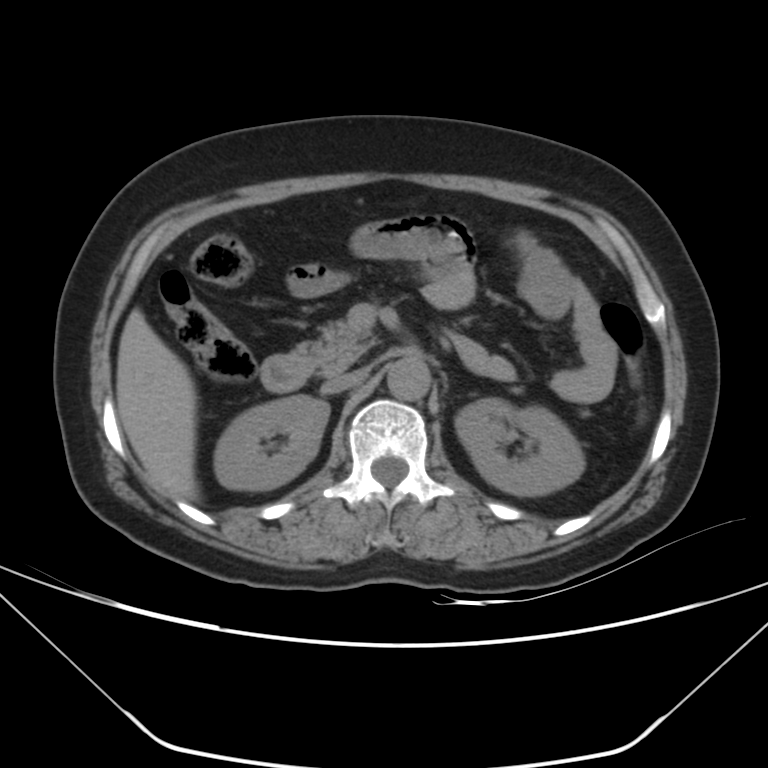
CT, abdomen/pelvis; axial view; soft-tissue window; 40-year-old male patient; 15 organs annotated in this scan (counted over the whole 3D scan, not this slice; an organ is boxed only where this slice passes through it)
<organs><organ name="right kidney" x1="214" y1="395" x2="328" y2="489"/><organ name="left kidney" x1="454" y1="398" x2="584" y2="496"/><organ name="liver" x1="115" y1="309" x2="198" y2="501"/><organ name="aorta" x1="386" y1="357" x2="430" y2="400"/><organ name="inferior vena cava" x1="322" y1="367" x2="369" y2="394"/><organ name="pancreas" x1="299" y1="319" x2="377" y2="376"/><organ name="duodenum" x1="260" y1="350" x2="313" y2="392"/></organs>